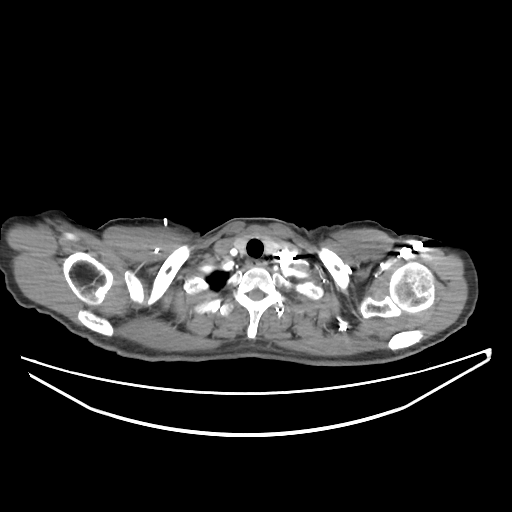

CT of the abdomen extending into the chest, slice through the chest · axial view · 62-year-old male patient · acquired on Aquilion ONE · 15 organs annotated in this scan (a whole-scan count: organs this slice does not pass through have no box)
At this level of the chest this dataset labels only the esophagus and the aorta, and each is boxed only where it is labeled; the heart and lungs are never labeled.
One row per box, in pixels: columns x1 and y1 give the top-left corner, x2 and y2 the bottom-right.
| organ | x1 | y1 | x2 | y2 |
|---|---|---|---|---|
| esophagus | 246 | 260 | 266 | 266 |